CT, abdomen/pelvis; axial view; SOMATOM Force scanner; scan has 15 labeled organs (counted over the whole 3D scan, not this slice; an organ is boxed only where this slice passes through it)
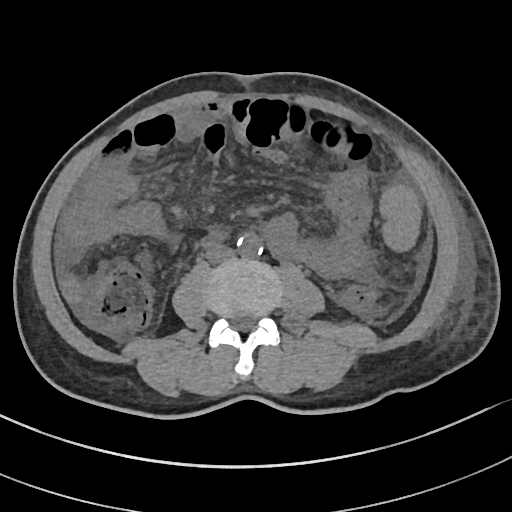

<organs><organ name="spleen" x1="380" y1="184" x2="421" y2="254"/><organ name="aorta" x1="238" y1="233" x2="263" y2="258"/><organ name="inferior vena cava" x1="206" y1="244" x2="235" y2="263"/><organ name="duodenum" x1="201" y1="232" x2="224" y2="247"/></organs>